CT, abdomen/pelvis — axial view — abdomen soft-tissue window
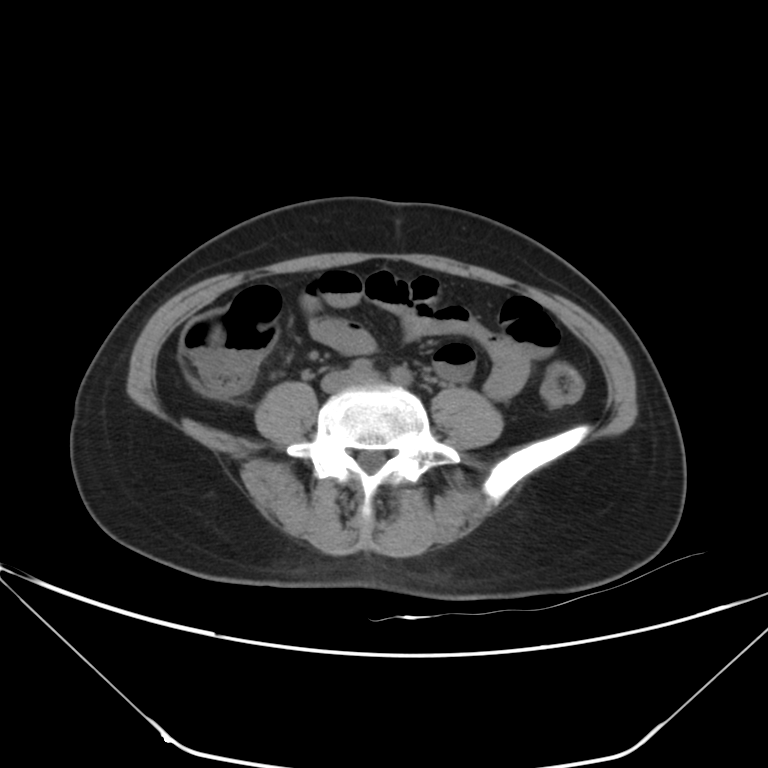 Organ boxes in pixel coordinates; each row gives the top-left (x1, y1) and bottom-right (x2, y2) corners.
| organ | x1 | y1 | x2 | y2 |
|---|---|---|---|---|
| inferior vena cava | 323 | 371 | 353 | 389 |